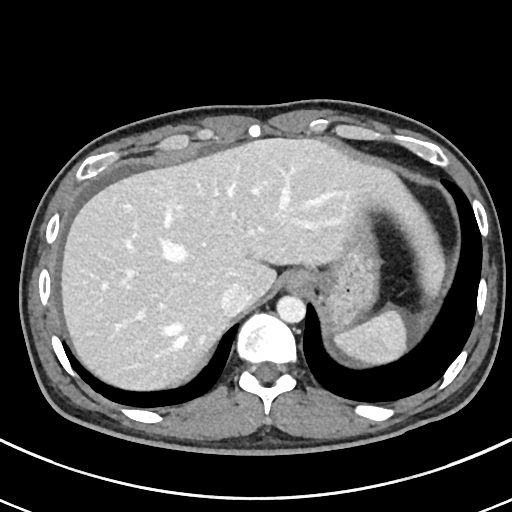

Computed tomography, abdomen; Axial slice 185/218; W/L 400/40 HU; scan has 15 labeled organs (that count is for the whole scan; organs this slice misses have no box)
{"organs":{"spleen":[335,310,406,364],"esophagus":[286,270,311,291],"liver":[60,138,444,390],"stomach":[310,213,381,333],"aorta":[276,295,305,323],"inferior vena cava":[220,285,249,316]}}